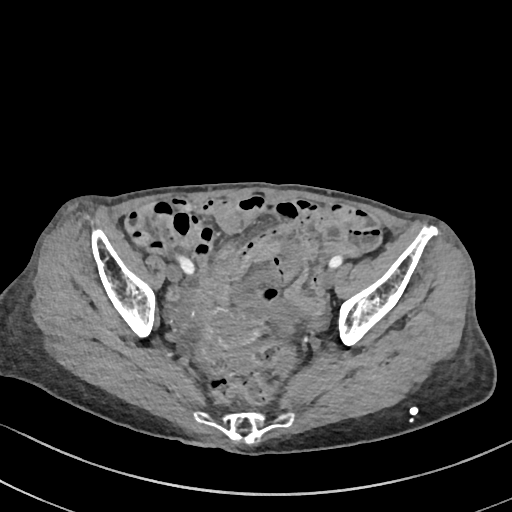 CT abdomen. axial view. soft-tissue window
{"organs":{"prostate/uterus":[206,310,254,350]}}